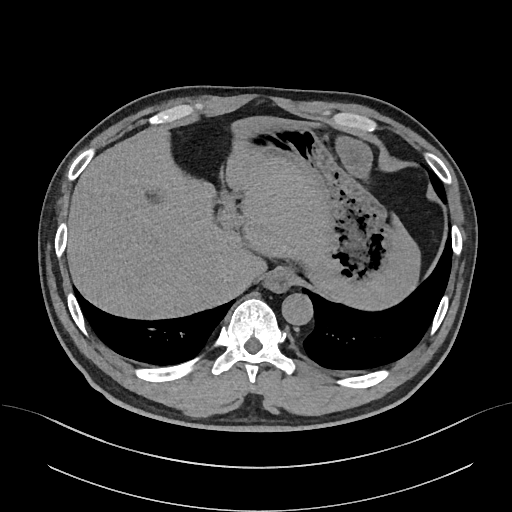 Computed tomography, abdomen · axial view · soft-tissue window · 512x512 px
Boxes: x1:y1:x2:y2 in pixels. The annotated organs in this slice are: gall bladder at 149:194:158:201, esophagus at 265:267:293:292, liver at 67:116:420:318, stomach at 233:125:395:288, aorta at 281:293:312:325, inferior vena cava at 231:269:252:291.